Computed tomography, abdomen · axial view · soft-tissue window · 512x512 px
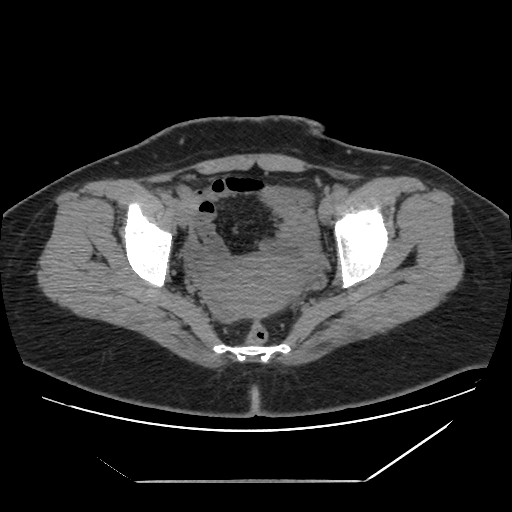

Boxes: x1 y1 x2 y2 (pixel coords, space-separated).
Organ bounding boxes:
- prostate/uterus: 212 254 301 317